Abdominal CT; axial view; SOMATOM Force scanner; scan has 15 labeled organs (a whole-scan count: organs this slice does not pass through have no box)
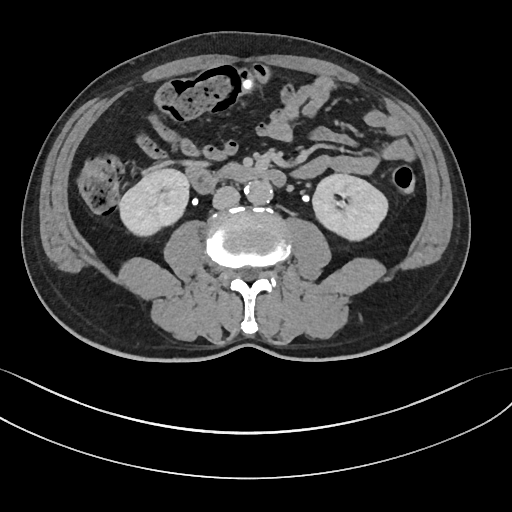 {"organs":{"aorta":[244,180,272,204],"right kidney":[120,169,188,236],"inferior vena cava":[212,185,239,209],"duodenum":[184,162,284,194],"left kidney":[311,173,388,239]}}